CT, abdomen/pelvis. Axial slice 24/93. W/L 400/40 HU. 768x768 px
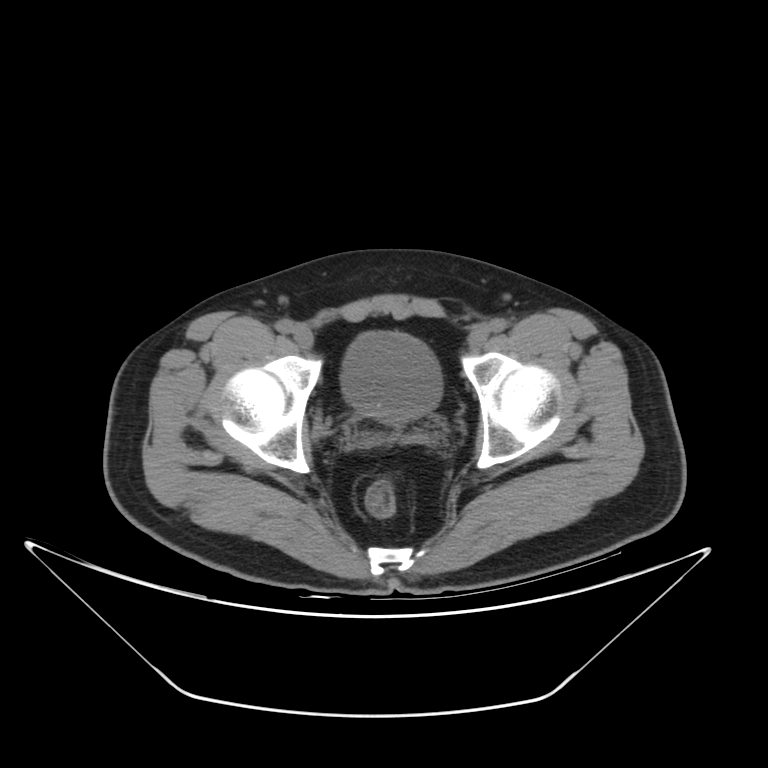

Bounding boxes in pixels, one row per box: x1, y1 is the top-left corner and x2, y2 the bottom-right.
| organ | x1 | y1 | x2 | y2 |
|---|---|---|---|---|
| bladder | 340 | 331 | 442 | 422 |